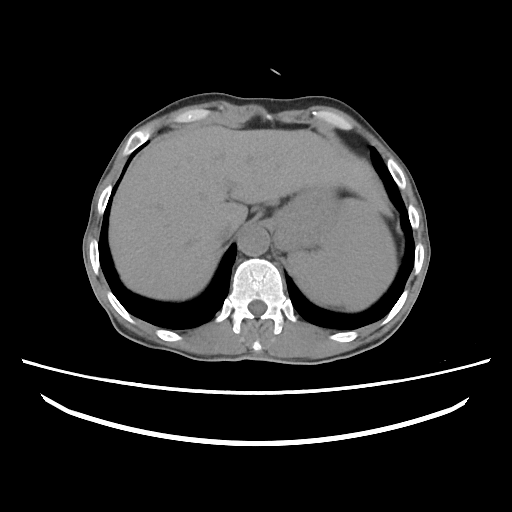
Abdominal CT. axial view. W/L 400/40 HU. 512x512 px
Boxes: x1 y1 x2 y2 (pixel coords, space-separated). 5 labeled organs on this slice — aorta at 237 225 269 256; liver at 108 123 393 300; inferior vena cava at 216 224 237 243; stomach at 260 181 337 251; spleen at 285 196 397 309.